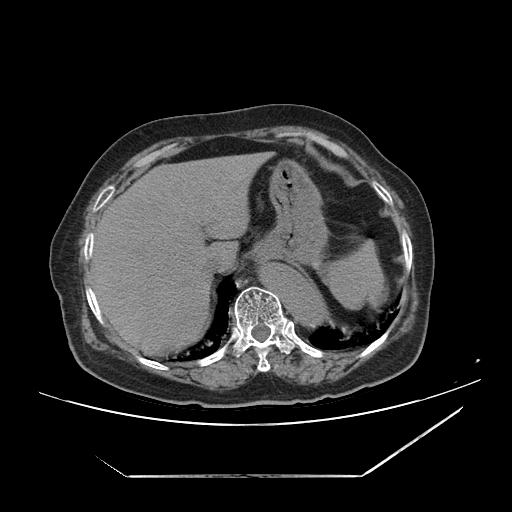

CT, abdomen/pelvis. axial view. abdomen soft-tissue window. 512x512 px. scan has 15 labeled organs (a whole-scan count: organs this slice does not pass through have no box)
Each box given as x1,y1,x2,y2.
inferior vena cava: x1=203, y1=253, x2=234, y2=273
stomach: x1=253, y1=158, x2=328, y2=264
liver: x1=90, y1=151, x2=274, y2=355
spleen: x1=322, y1=240, x2=385, y2=309
aorta: x1=259, y1=264, x2=323, y2=326